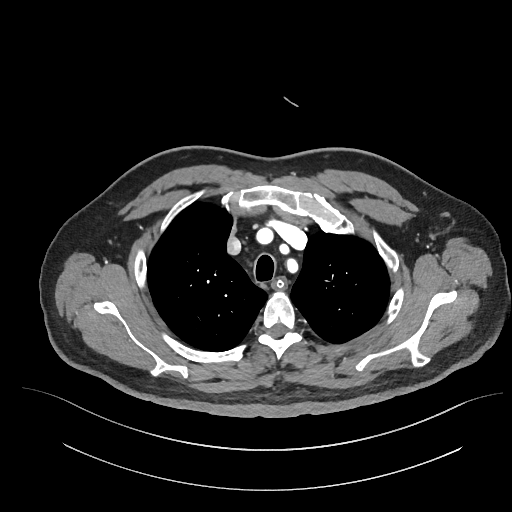
Chest-level CT slice, above the liver and spleen · axial view · SOMATOM Force scanner
At this level of the chest no structure but the esophagus and the aorta has a label in this dataset, and those two are boxed only where they are labeled. Box edges are left/top/right/bottom in pixels. Labeled organs on this slice: esophagus at left=272, top=278, right=285, bottom=289.